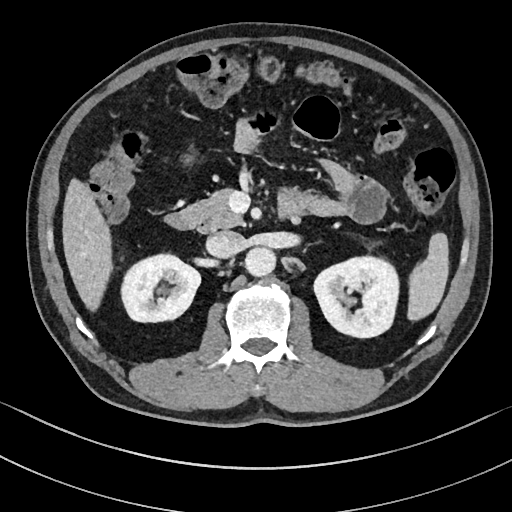
Abdominal CT · Axial slice 152/232 · soft-tissue window
{"organs":{"aorta":[245,247,277,275],"left kidney":[313,255,398,337],"right kidney":[122,254,200,322],"inferior vena cava":[205,231,243,257],"liver":[63,180,111,310],"spleen":[407,233,448,320],"duodenum":[166,200,302,231],"pancreas":[181,189,244,230]}}